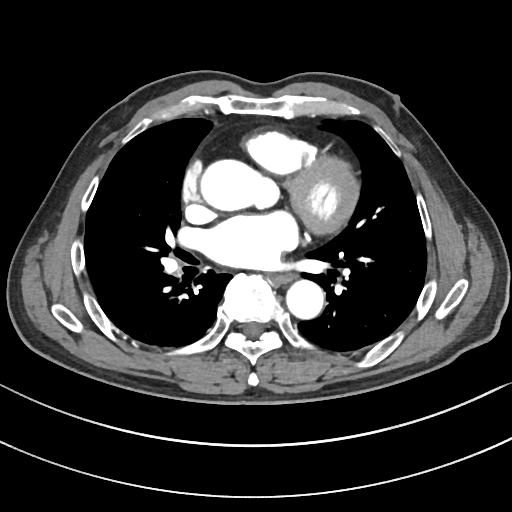

Lower-chest slice from an abdominal CT, just above the liver and spleen · axial view
The heart and lungs are never labeled in this dataset, so they have no box on this slice.
Organ boxes in pixel coordinates; each row gives the top-left (x1, y1) and bottom-right (x2, y2) corners.
| organ | x1 | y1 | x2 | y2 |
|---|---|---|---|---|
| aorta | 199 | 159 | 276 | 211 |
| aorta | 286 | 281 | 324 | 319 |
| esophagus | 272 | 275 | 294 | 284 |